Magnetic resonance imaging, abdomen — Axial slice 33/72 — 576x468 px — 12 organs annotated in this scan (a whole-scan count: organs this slice does not pass through have no box)
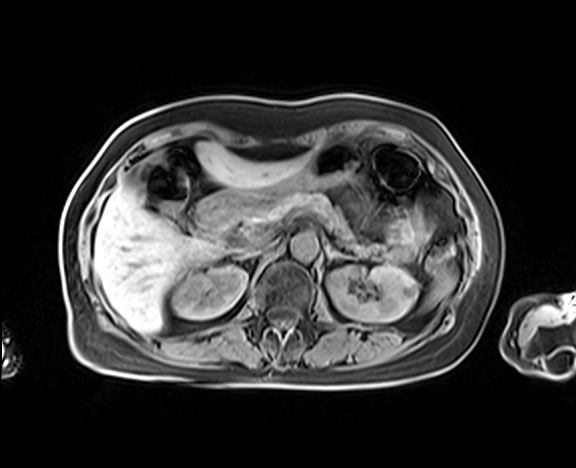

Bounding boxes as [x1, y1, x2, y2] in pixel coordinates. 10 labeled organs on this slice — spleen at [426, 267, 456, 306]; aorta at [290, 232, 318, 260]; pancreas at [244, 190, 410, 262]; left adrenal gland at [321, 236, 349, 260]; duodenum at [196, 193, 240, 244]; liver at [93, 142, 309, 333]; inferior vena cava at [244, 240, 275, 256]; right kidney at [173, 265, 247, 319]; left kidney at [328, 265, 417, 322]; stomach at [223, 140, 371, 209].